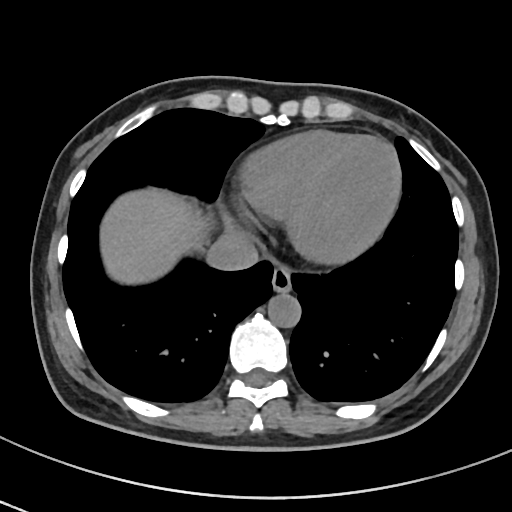
CT abdomen — axial view — 512x512 px — acquired on SOMATOM Force
Box edges are left/top/right/bottom in pixels. 4 labeled organs on this slice — inferior vena cava at left=208, top=233, right=259, bottom=271; esophagus at left=271, top=263, right=291, bottom=291; aorta at left=267, top=293, right=300, bottom=326; liver at left=99, top=190, right=207, bottom=282.